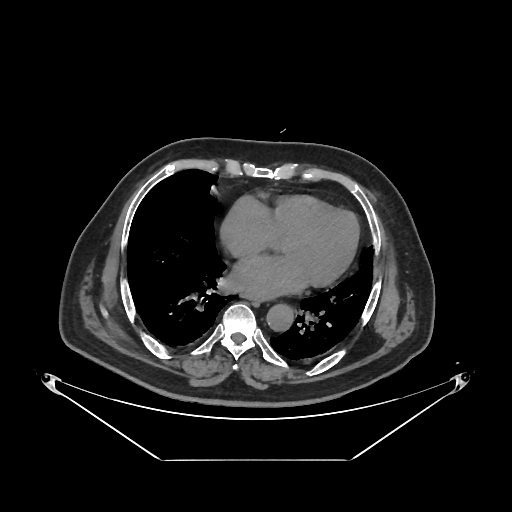

Lower-chest slice from an abdominal CT, just above the liver and spleen · axial view · soft-tissue window (W 400 / L 40) · 15 organs annotated in this scan (a whole-scan count: organs this slice does not pass through have no box)
The heart and lungs are never labeled in this dataset, so they have no box on this slice.
Boxes are (x1, y1, x2, y2) in pixels.
esophagus: (240, 295, 267, 300)
aorta: (266, 304, 293, 331)